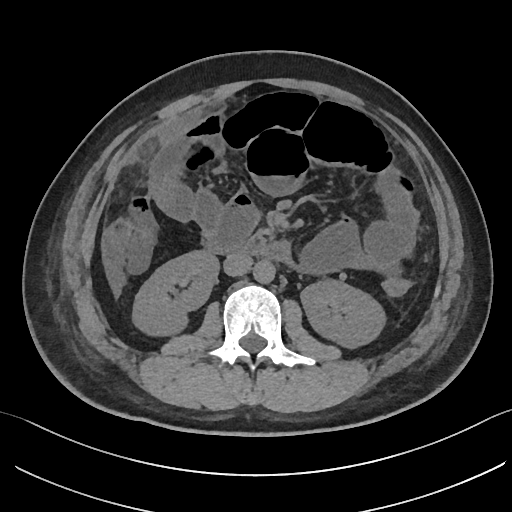
CT, abdomen/pelvis — axial view
{"organs":{"duodenum":[207,240,291,263],"right kidney":[132,250,218,335],"aorta":[253,260,275,283],"left kidney":[301,279,385,348],"inferior vena cava":[223,253,252,276]}}